CT of the abdomen extending into the chest, slice through the chest · axial view · W/L 400/40 HU
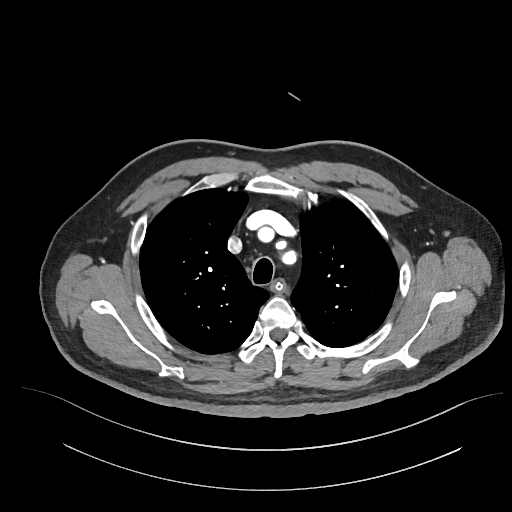
At this level of the chest this dataset labels only the esophagus and the aorta, and each is boxed only where it is labeled; the heart and lungs are never labeled.
<organs><organ name="esophagus" x1="272" y1="280" x2="284" y2="291"/></organs>